CT abdomen — axial view — Aquilion ONE scanner
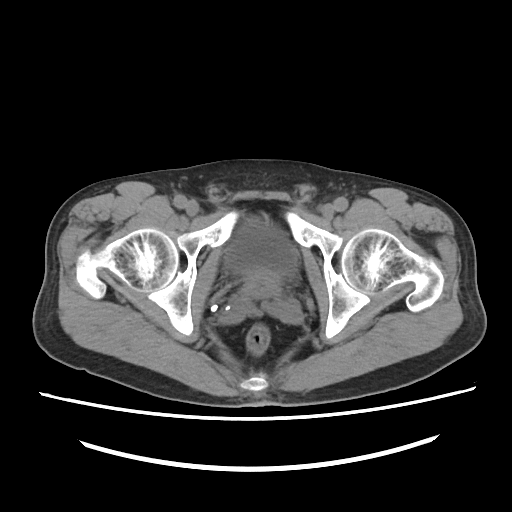
Boxes: x1:y1:x2:y2 in pixels.
bladder: 228:224:296:275
prostate/uterus: 245:273:278:299